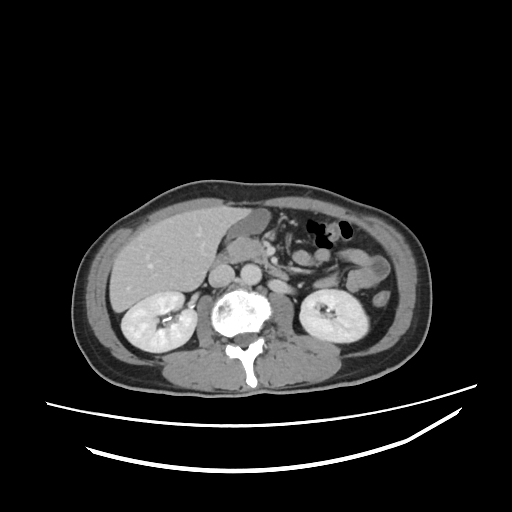 Computed tomography, abdomen · axial plane, index 60 · soft-tissue window · 512x512 px · acquired on Aquilion ONE · 15 organs annotated in this scan (a whole-scan count: organs this slice does not pass through have no box)
{"organs":{"right kidney":[121,291,197,352],"left kidney":[299,289,368,342],"gall bladder":[228,210,267,237],"liver":[109,205,251,312],"stomach":[237,234,242,235],"aorta":[240,264,261,284],"inferior vena cava":[209,264,234,287],"pancreas":[227,236,265,261],"duodenum":[213,252,288,280]}}